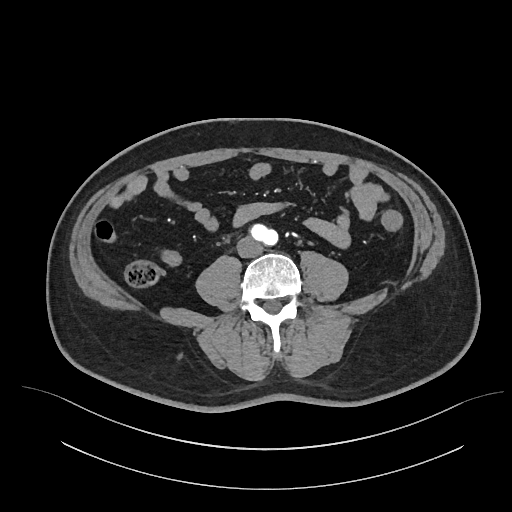

CT, abdomen/pelvis · axial plane, index 113
Boxes are (x1, y1, x2, y2) in pixels.
aorta: (251, 224, 278, 245)
inferior vena cava: (237, 236, 262, 257)